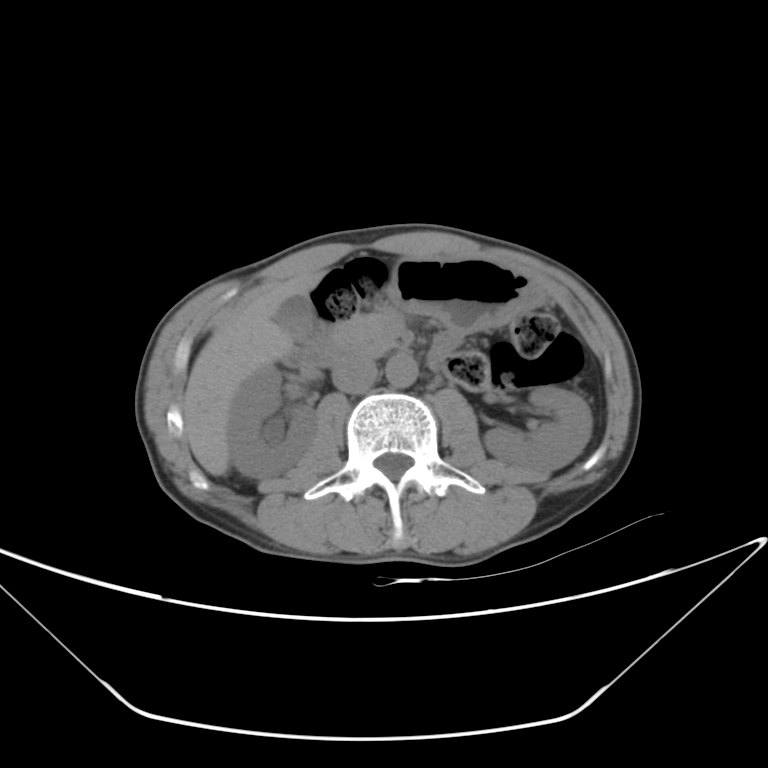

Abdominal CT — Axial slice 59/79 — 768x768 px — acquired on Brilliance16
Coordinates as <box>x1,y1,x2,y2</box> in pixels. The annotated organs in this slice are: right kidney at <box>228,366,316,478</box>, left kidney at <box>483,385,592,478</box>, gall bladder at <box>274,296,313,341</box>, liver at <box>183,272,321,476</box>, stomach at <box>386,257,539,333</box>, aorta at <box>385,354,418,387</box>, inferior vena cava at <box>331,354,376,391</box>, pancreas at <box>329,311,398,356</box>, duodenum at <box>285,328,458,373</box>.